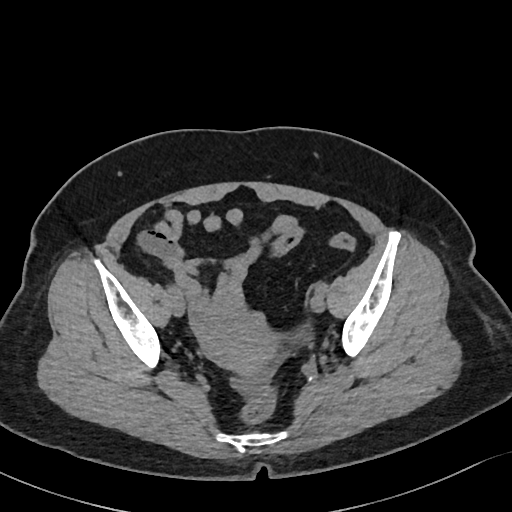
CT abdomen; Axial slice 40/192; soft-tissue window; 15 organs annotated in this scan (that count is for the whole scan; organs this slice misses have no box)
Boxes are (x1, y1, x2, y2) in pixels. 1 labeled organ on this slice — prostate/uterus at (195, 309, 275, 377).